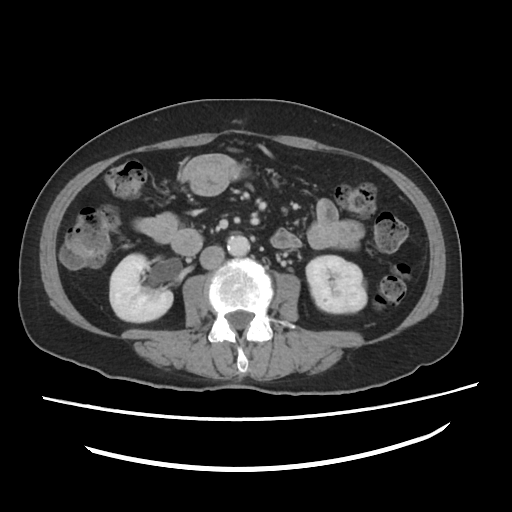

CT, abdomen/pelvis; axial plane, index 51
Coordinates as <box>x1,y1,x2,y2</box> in pixels.
right kidney: <box>109,254,173,322</box>
left kidney: <box>306,255,367,312</box>
liver: <box>188,176,238,228</box>
aorta: <box>227,236,250,254</box>
inferior vena cava: <box>201,244,225,268</box>